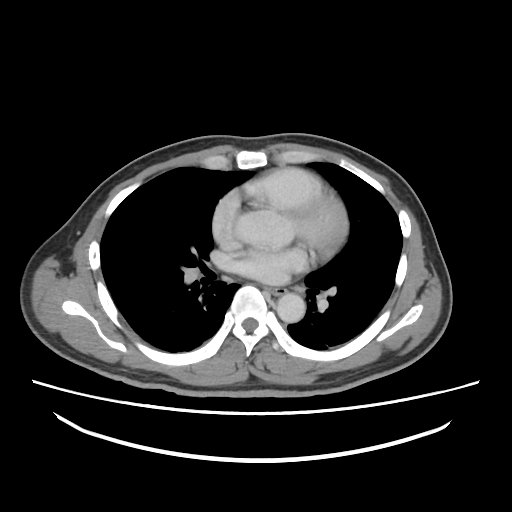

CT of the abdomen reaching into the lower chest, slice just above the liver and spleen; axial view; 31-year-old male patient; 15 organs annotated in this scan (that count is for the whole scan; organs this slice misses have no box)
No part of the heart or lungs is labeled in this dataset, so neither has a box here.
Boxes are (x1, y1, x2, y2) in pixels.
aorta: (276, 293, 305, 322)
esophagus: (266, 287, 286, 295)